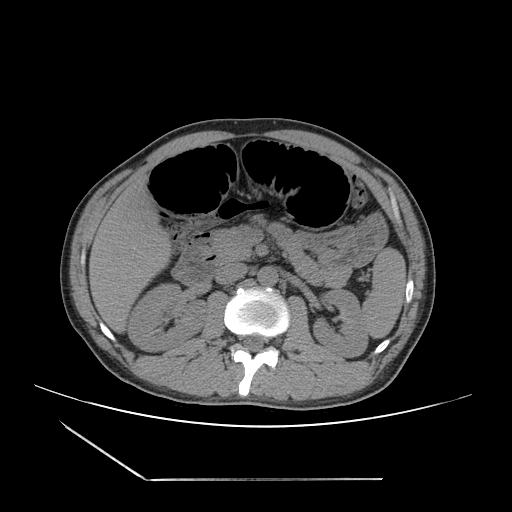

Computed tomography, abdomen — axial view — W/L 400/40 HU
One row per box, in pixels: columns x1 and y1 give the top-left corner, x2 and y2 the bottom-right.
| organ | x1 | y1 | x2 | y2 |
|---|---|---|---|---|
| aorta | 257 | 266 | 277 | 286 |
| right kidney | 127 | 283 | 206 | 351 |
| stomach | 299 | 216 | 386 | 266 |
| duodenum | 172 | 242 | 222 | 285 |
| left kidney | 313 | 288 | 367 | 357 |
| liver | 89 | 176 | 171 | 333 |
| pancreas | 209 | 223 | 350 | 285 |
| spleen | 362 | 247 | 406 | 338 |
| inferior vena cava | 215 | 263 | 247 | 284 |